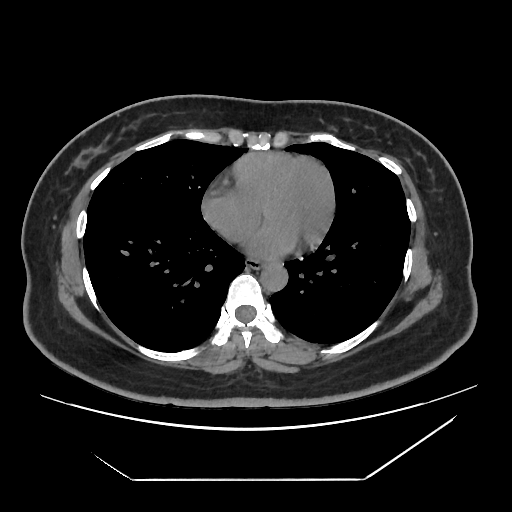

Abdominal CT; this slice is in the lower chest, just above the liver. axial plane, index 331
No part of the heart or lungs is labeled in this dataset, so neither has a box here.
Boxes: x1:y1:x2:y2 in pixels.
Organ bounding boxes:
- esophagus: 246:257:264:268
- aorta: 260:263:287:290